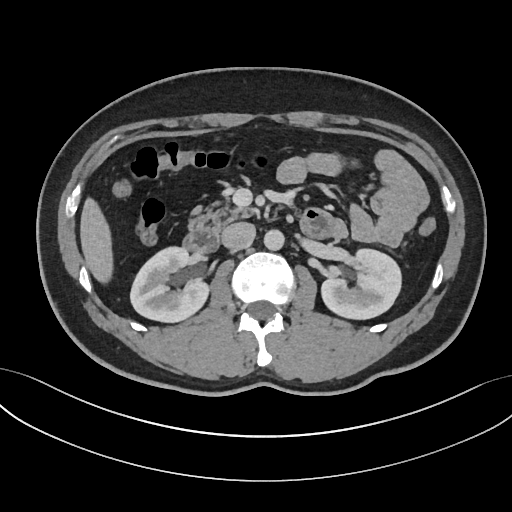 CT, abdomen/pelvis — Axial slice 168/345 — soft-tissue window (W 400 / L 40)
Bounding boxes as [x1, y1, x2, y2] in pixel coordinates.
right kidney: [131, 247, 209, 322]
left kidney: [320, 248, 401, 320]
liver: [79, 197, 112, 283]
aorta: [263, 230, 284, 250]
inferior vena cava: [220, 222, 255, 250]
pancreas: [185, 199, 256, 231]
duodenum: [181, 231, 218, 253]